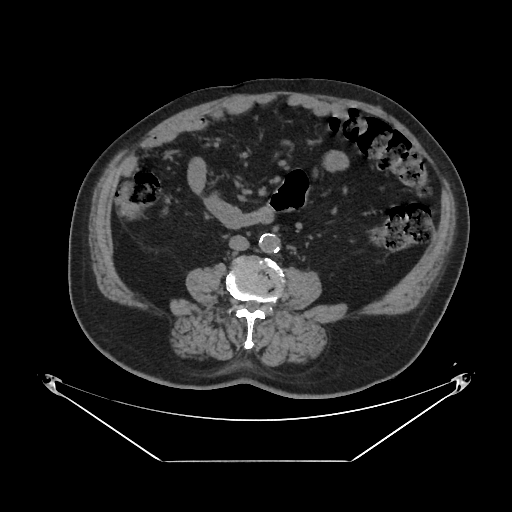 Computed tomography, abdomen · axial view · W/L 400/40 HU · 512x512 px
Each box given as x1,y1,x2,y2.
inferior vena cava: x1=229, y1=235, x2=249, y2=250
aorta: x1=260, y1=234, x2=280, y2=253